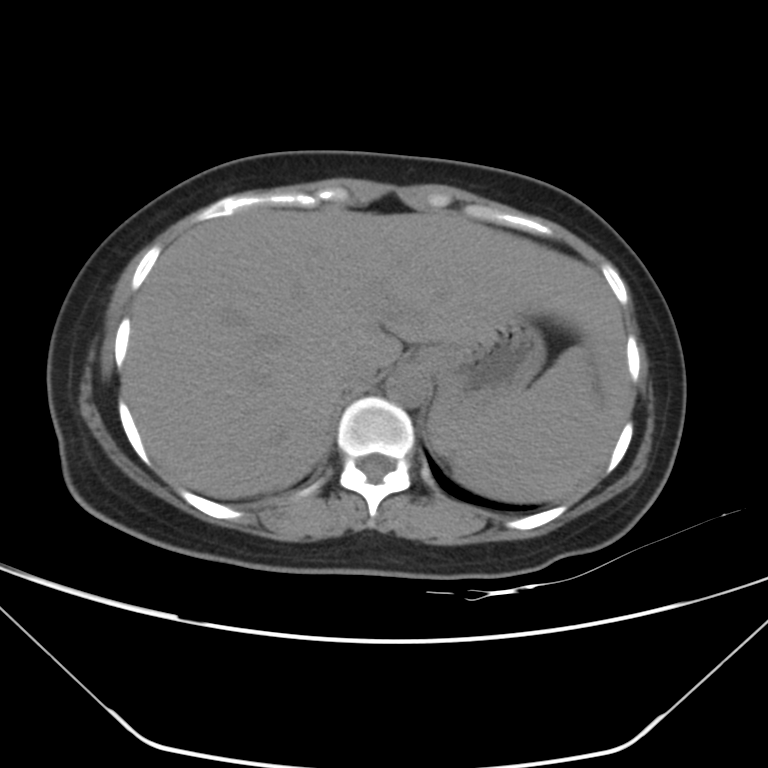
CT, abdomen/pelvis · axial view · W/L 400/40 HU
Organ boxes in pixel coordinates; each row gives the top-left (x1, y1) and bottom-right (x2, y2) corners.
| organ | x1 | y1 | x2 | y2 |
|---|---|---|---|---|
| liver | 123 | 206 | 629 | 496 |
| inferior vena cava | 337 | 357 | 378 | 390 |
| spleen | 430 | 343 | 615 | 501 |
| aorta | 386 | 367 | 427 | 407 |
| stomach | 411 | 320 | 545 | 420 |